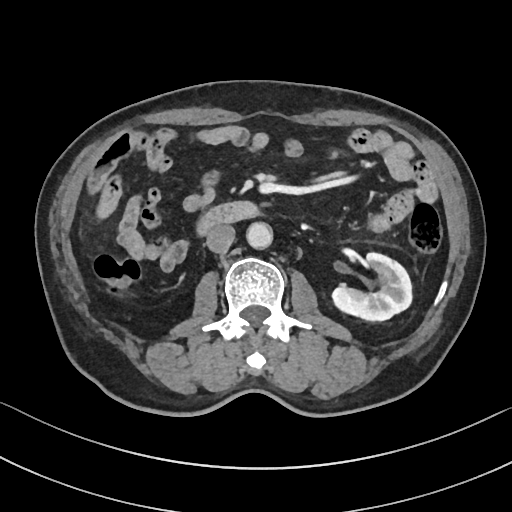

CT, abdomen/pelvis. axial view. W/L 400/40 HU. 512x512 px
Organ boxes in pixel coordinates; each row gives the top-left (x1, y1) and bottom-right (x2, y2) corners.
| organ | x1 | y1 | x2 | y2 |
|---|---|---|---|---|
| aorta | 246 | 222 | 273 | 250 |
| left kidney | 331 | 252 | 411 | 321 |
| duodenum | 198 | 200 | 261 | 235 |
| inferior vena cava | 206 | 225 | 234 | 252 |